CT, abdomen/pelvis — axial view — 512x512 px
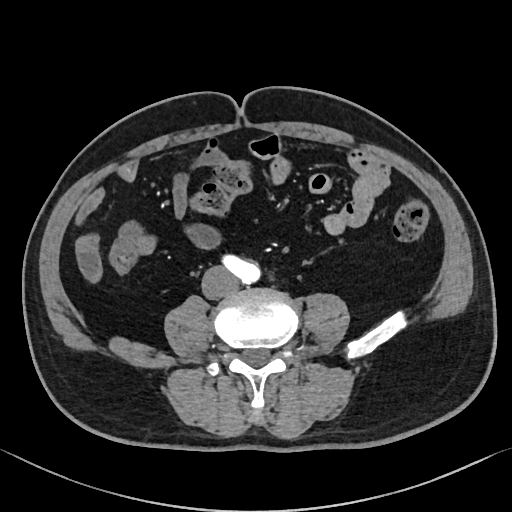

Each box given as x1,y1,x2,y2.
Organ bounding boxes:
- inferior vena cava: x1=202, y1=266, x2=236, y2=298
- aorta: x1=223, y1=255, x2=261, y2=284